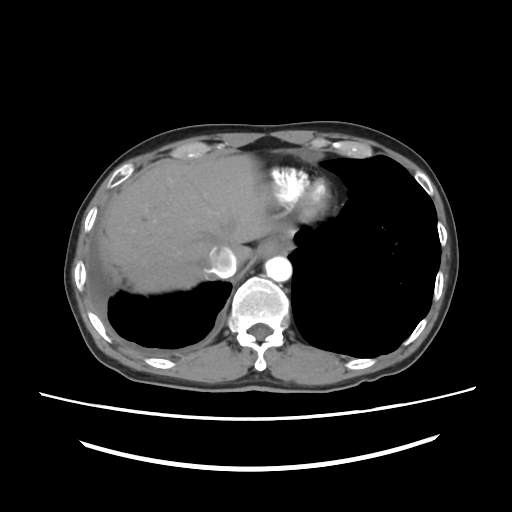 Computed tomography, abdomen — axial view
Boxes are (x1, y1, x2, y2) in pixels. Labeled organs on this slice: liver at (103, 154, 273, 293), esophagus at (258, 239, 288, 257), aorta at (265, 256, 291, 281), inferior vena cava at (207, 247, 237, 278).